CT, abdomen/pelvis · axial view
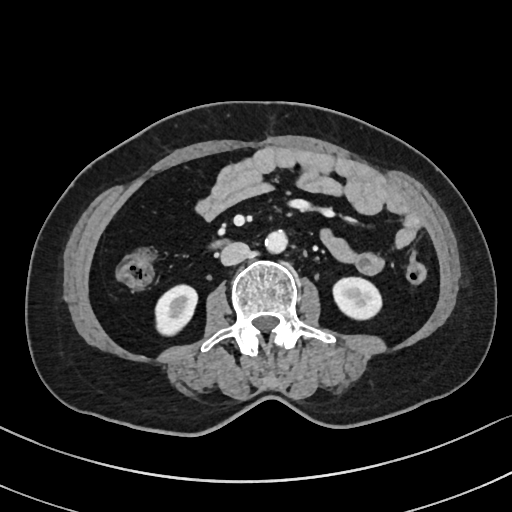

<organs><organ name="right kidney" x1="155" y1="283" x2="198" y2="334"/><organ name="left kidney" x1="331" y1="276" x2="382" y2="321"/><organ name="aorta" x1="264" y1="231" x2="287" y2="253"/><organ name="inferior vena cava" x1="220" y1="242" x2="250" y2="265"/><organ name="duodenum" x1="213" y1="238" x2="230" y2="250"/></organs>